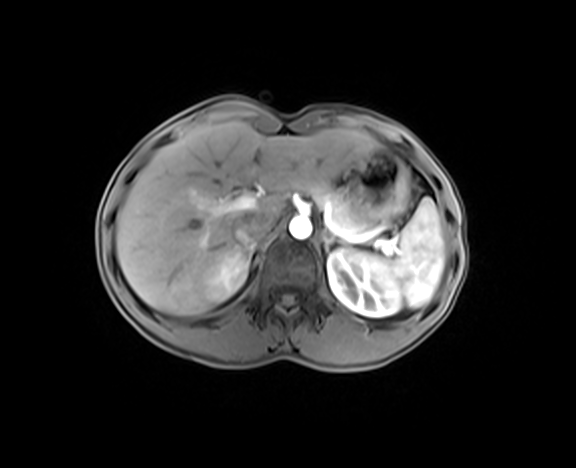 Abdominal MR; axial view; percentile-normalized
Box edges are left/top/right/bottom in pixels.
Organ bounding boxes:
- left adrenal gland: left=322, top=233, right=334, bottom=255
- stomach: left=349, top=150, right=410, bottom=224
- left kidney: left=327, top=248, right=402, bottom=316
- pancreas: left=309, top=185, right=368, bottom=234
- aorta: left=288, top=216, right=312, bottom=239
- right kidney: left=205, top=252, right=249, bottom=302
- right adrenal gland: left=242, top=244, right=254, bottom=258
- spleen: left=371, top=198, right=444, bottom=307
- inferior vena cava: left=232, top=213, right=271, bottom=244
- liver: left=116, top=121, right=379, bottom=315